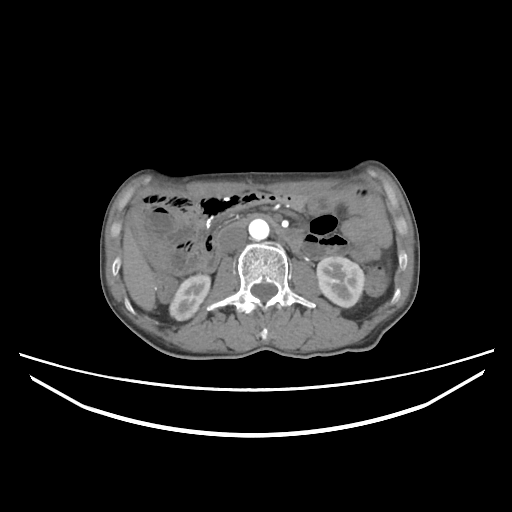 CT abdomen; axial view; soft-tissue window (W 400 / L 40)
Organ boxes in pixel coordinates; each row gives the top-left (x1, y1) and bottom-right (x2, y2) corners.
| organ | x1 | y1 | x2 | y2 |
|---|---|---|---|---|
| right kidney | 169 | 274 | 210 | 320 |
| left kidney | 317 | 256 | 364 | 307 |
| liver | 123 | 223 | 155 | 310 |
| aorta | 248 | 221 | 269 | 240 |
| inferior vena cava | 218 | 225 | 246 | 252 |
| duodenum | 232 | 215 | 303 | 250 |